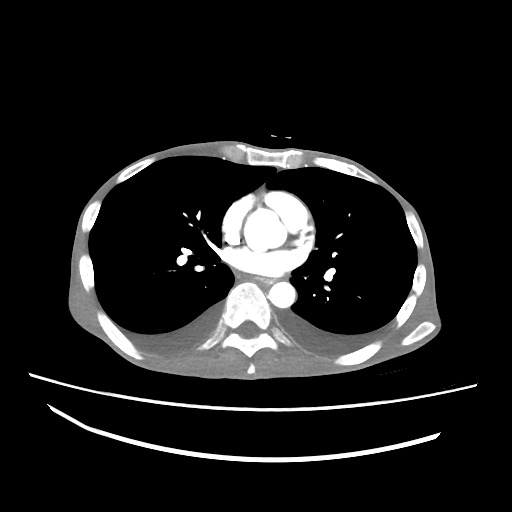 Chest-level CT slice, above the liver and spleen. axial view. 512x512 px
At this level of the chest no structure but the esophagus and the aorta has a label in this dataset, and those two are boxed only where they are labeled.
<organs><organ name="esophagus" x1="253" y1="273" x2="273" y2="282"/><organ name="aorta" x1="244" y1="209" x2="286" y2="250"/><organ name="aorta" x1="268" y1="282" x2="295" y2="307"/></organs>